Abdominal CT reaching into the chest; this slice is in the chest — Axial slice 228/306 — soft-tissue window, W/L 400/40
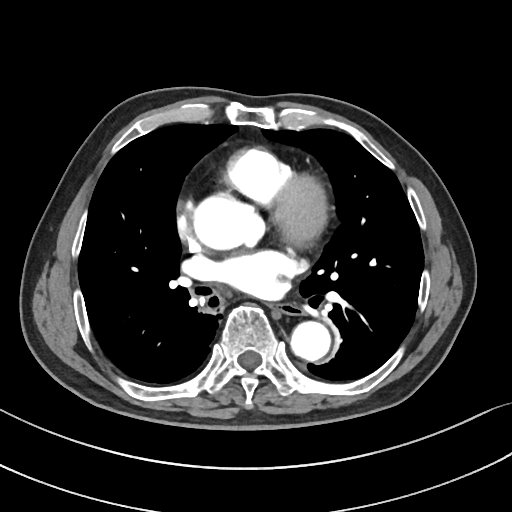 At this level of the chest this dataset labels only the esophagus and the aorta, and each is boxed only where it is labeled; the heart and lungs are never labeled.
<organs><organ name="esophagus" x1="272" y1="305" x2="297" y2="314"/><organ name="aorta" x1="197" y1="199" x2="253" y2="247"/><organ name="aorta" x1="290" y1="321" x2="330" y2="361"/></organs>